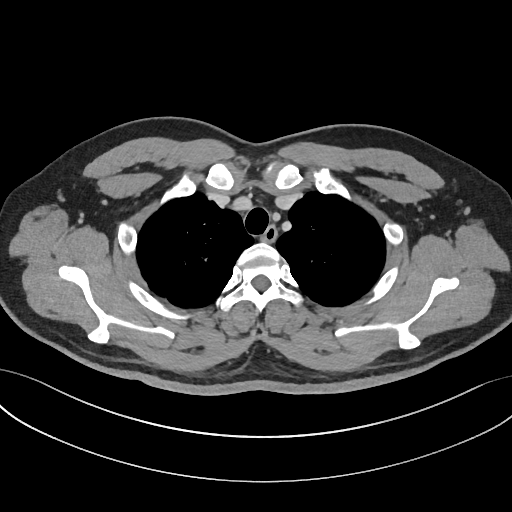

Chest-level slice from an abdominal CT that extends up into the chest — axial plane, index 322 — soft-tissue window, W/L 400/40 — 512x512 px
On a slice this high in the chest, this dataset labels only the esophagus and the aorta, and each is boxed only where it is labeled; the heart, lungs and other chest structures are not labeled.
One row per box, in pixels: columns x1 and y1 give the top-left corner, x2 and y2 the bottom-right.
| organ | x1 | y1 | x2 | y2 |
|---|---|---|---|---|
| esophagus | 262 | 225 | 277 | 241 |